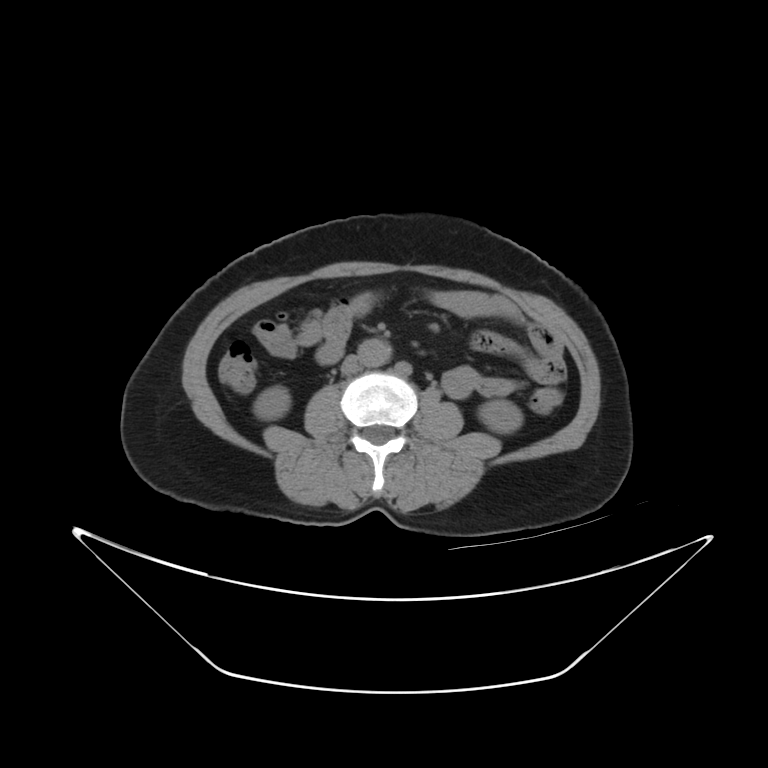 CT, abdomen/pelvis — axial plane, index 48 — abdomen soft-tissue window — 56-year-old female patient — acquired on Brilliance16
Bounding boxes as [x1, y1, x2, y2] in pixel coordinates. Labeled organs on this slice: inferior vena cava at [342, 357, 359, 374], left kidney at [478, 399, 521, 432], right kidney at [252, 386, 289, 420], aorta at [358, 338, 387, 367].